CT abdomen. axial view. soft-tissue window (W 400 / L 40). 768x768 px. scan has 15 labeled organs (counted over the whole 3D scan, not this slice; an organ is boxed only where this slice passes through it)
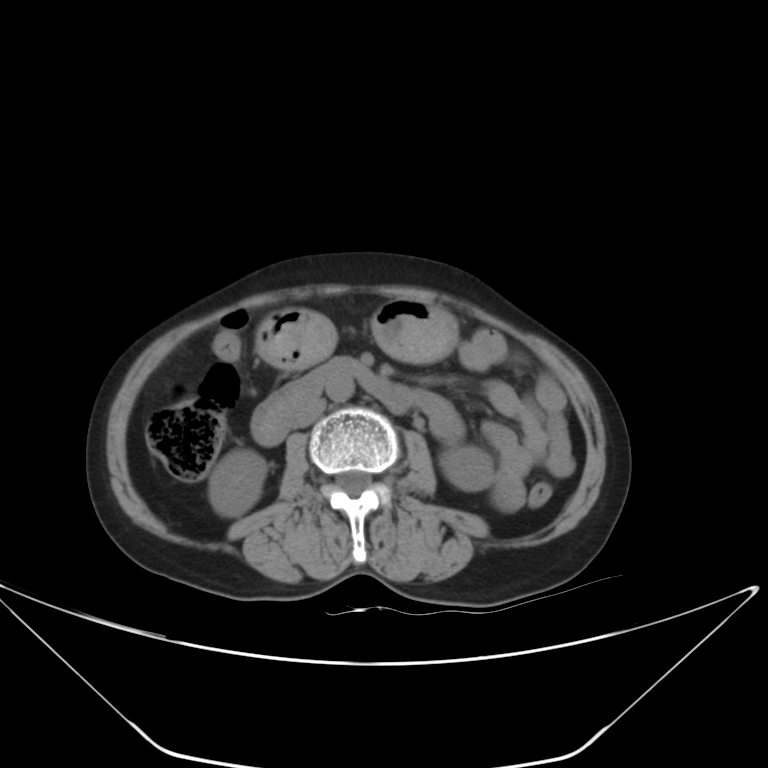 Boxes are (x1, y1, x2, y2) in pixels.
right kidney: (208, 449, 267, 516)
left kidney: (440, 444, 494, 490)
stomach: (257, 298, 457, 368)
aorta: (326, 375, 353, 401)
inferior vena cava: (296, 398, 325, 427)
duodenum: (252, 357, 414, 445)